Abdominal MR · Coronal slice 60/60
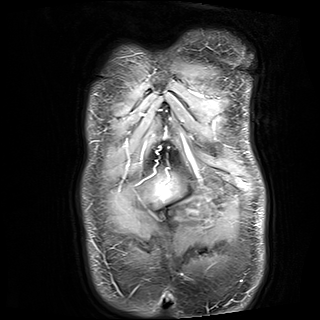 Bounding boxes in pixels, one row per box: x1, y1 is the top-left corner and x2, y2 the bottom-right.
| organ | x1 | y1 | x2 | y2 |
|---|---|---|---|---|
| liver | 163 | 188 | 166 | 194 |
| stomach | 178 | 204 | 198 | 228 |